Abdominal CT; Axial slice 78/89; 76-year-old female patient; scan has 15 labeled organs (counted over the whole 3D scan, not this slice; an organ is boxed only where this slice passes through it)
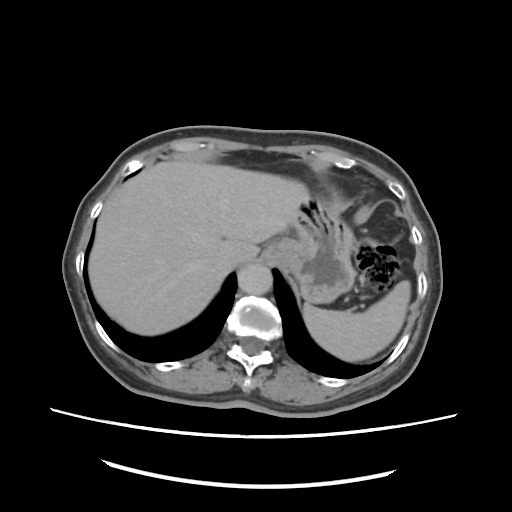

Bounding boxes as [x1, y1, x2, y2] in pixel coordinates.
Organ bounding boxes:
- spleen: [305, 280, 409, 360]
- esophagus: [260, 244, 283, 262]
- liver: [90, 160, 310, 335]
- stomach: [281, 196, 355, 302]
- aorta: [237, 264, 271, 295]
- inferior vena cava: [230, 243, 258, 266]